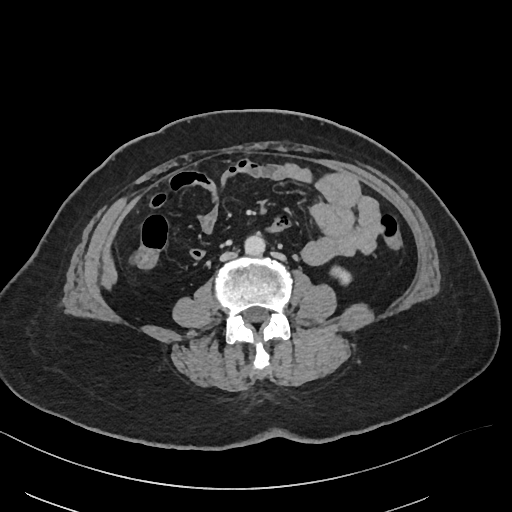 CT abdomen — Axial slice 121/244 — acquired on SOMATOM Force
Bounding boxes in pixels, one row per box: x1, y1 is the top-left corner and x2, y2 the bottom-right.
| organ | x1 | y1 | x2 | y2 |
|---|---|---|---|---|
| left kidney | 330 | 266 | 351 | 284 |
| aorta | 244 | 234 | 265 | 255 |
| inferior vena cava | 220 | 252 | 236 | 261 |